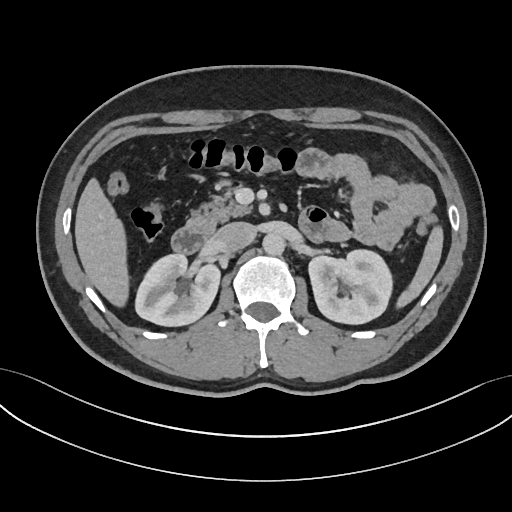 Computed tomography, abdomen — axial view — abdomen soft-tissue window
Boxes: x1:y1:x2:y2 in pixels.
spleen: 397:227:442:307
right kidney: 134:254:219:325
left kidney: 309:249:392:324
liver: 75:181:128:306
aorta: 262:233:284:254
inferior vena cava: 215:222:256:251
pancreas: 186:192:250:235
duodenum: 172:225:213:253